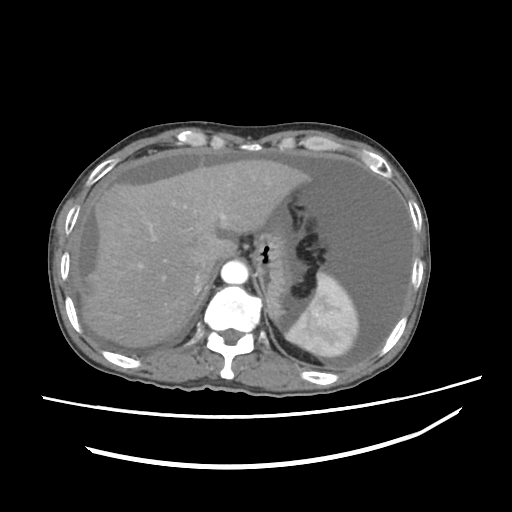
CT abdomen; Axial slice 86/103; scan has 15 labeled organs (that count is for the whole scan; organs this slice misses have no box)
{"organs":{"spleen":[286,273,358,358],"liver":[79,160,312,346],"stomach":[253,203,305,325],"aorta":[220,259,248,285],"inferior vena cava":[193,271,204,287]}}